Abdominal MRI. Axial slice 13/72. 576x468 px
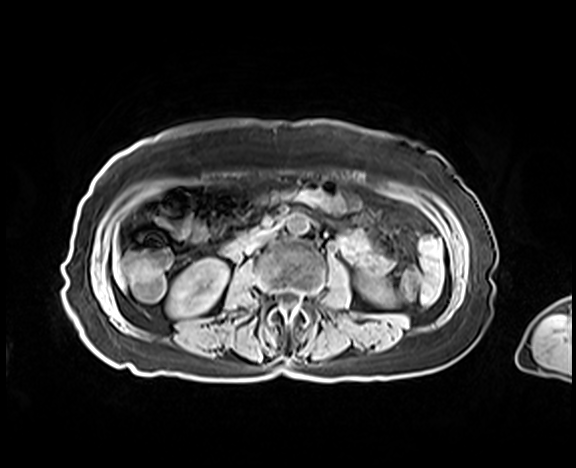

One row per box, in pixels: columns x1 and y1 give the top-left corner, x2 and y2 the bottom-right.
| organ | x1 | y1 | x2 | y2 |
|---|---|---|---|---|
| left kidney | 360 | 278 | 392 | 303 |
| aorta | 286 | 213 | 309 | 235 |
| right kidney | 168 | 258 | 228 | 317 |
| liver | 114 | 255 | 117 | 274 |
| inferior vena cava | 248 | 229 | 275 | 250 |
| duodenum | 224 | 234 | 254 | 255 |